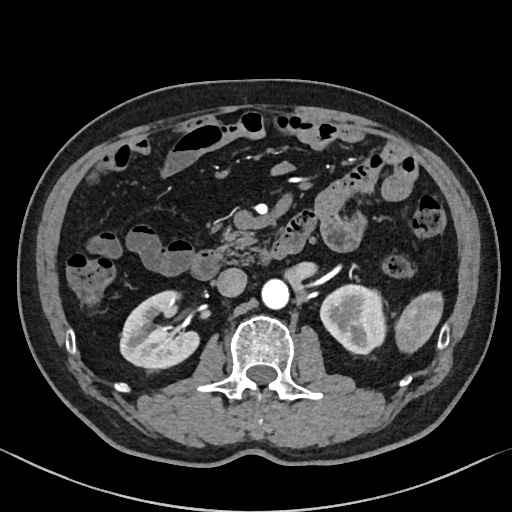

CT, abdomen/pelvis — axial view — W/L 400/40 HU — scan has 15 labeled organs (a whole-scan count: organs this slice does not pass through have no box)
{"organs":{"spleen":[394,293,444,351],"right kidney":[119,290,200,370],"left kidney":[321,286,386,353],"aorta":[261,279,289,310],"inferior vena cava":[214,268,246,296],"pancreas":[216,227,262,262],"duodenum":[191,229,303,279]}}